Computed tomography, abdomen; axial view; abdomen soft-tissue window; SOMATOM Force scanner; 15 organs annotated in this scan (a whole-scan count: organs this slice does not pass through have no box)
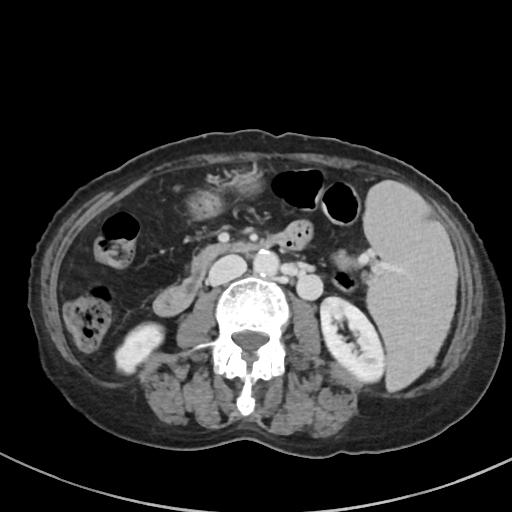 Boxes: x1:y1:x2:y2 in pixels. 8 labeled organs on this slice — duodenum at 154:232:302:315; aorta at 253:250:278:276; stomach at 188:169:261:218; pancreas at 193:246:212:266; inferior vena cava at 208:254:246:285; left kidney at 320:297:384:382; right kidney at 115:323:163:373; spleen at 363:181:456:390.